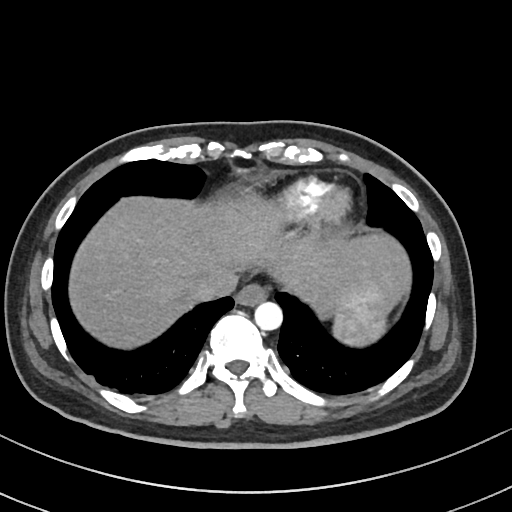
CT, abdomen/pelvis; axial view; W/L 400/40 HU; 512x512 px
Coordinates as <box>x1,y1,x2,y2</box> in pixels.
spleen: <box>332,280,388,346</box>
esophagus: <box>236,283,267,305</box>
liver: <box>69,194,410,348</box>
aorta: <box>254,301,282,330</box>
inferior vena cava: <box>187,272,236,301</box>